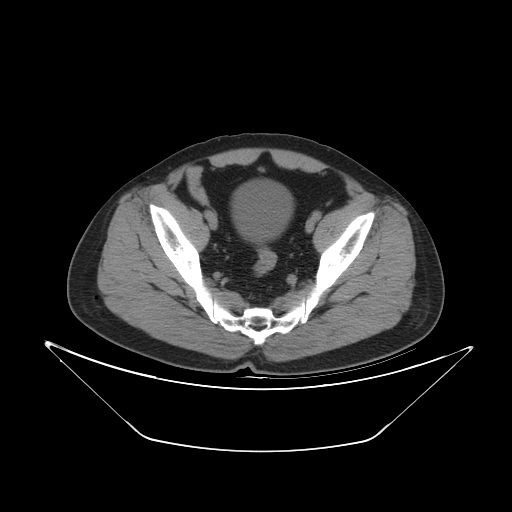

Computed tomography, abdomen — Axial slice 23/83 — 512x512 px — 41-year-old male patient
Each box given as x1,y1,x2,y2. The annotated organs in this slice are: bladder at x1=231, y1=179, x2=293, y2=242.